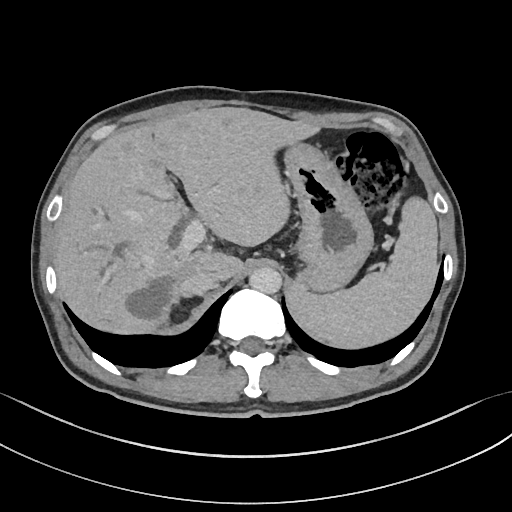
Abdominal CT; axial view; soft-tissue window (W 400 / L 40)
Boxes: x1:y1:x2:y2 in pixels. The annotated organs in this slice are: spleen at 288:197:438:348, liver at 54:107:320:333, stomach at 284:143:373:292, aorta at 249:267:281:294, inferior vena cava at 183:272:221:296.